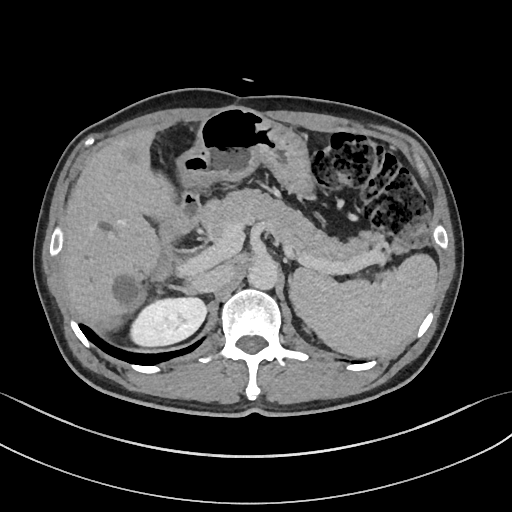
Computed tomography, abdomen · axial plane, index 171 · abdomen soft-tissue window
Bounding boxes in pixels, one row per box: x1, y1 is the top-left corner and x2, y2 the bottom-right.
| organ | x1 | y1 | x2 | y2 |
|---|---|---|---|---|
| spleen | 292 | 254 | 437 | 357 |
| right kidney | 130 | 297 | 206 | 346 |
| liver | 60 | 127 | 370 | 357 |
| stomach | 176 | 107 | 313 | 199 |
| aorta | 247 | 258 | 278 | 289 |
| inferior vena cava | 191 | 264 | 233 | 292 |
| pancreas | 197 | 188 | 389 | 262 |
| right adrenal gland | 168 | 284 | 198 | 294 |
| left adrenal gland | 288 | 275 | 293 | 301 |
| duodenum | 148 | 192 | 200 | 283 |